Magnetic resonance imaging, abdomen · coronal plane, index 103
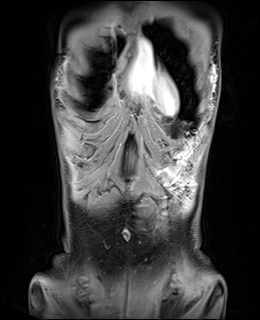 <organs><organ name="liver" x1="127" y1="172" x2="130" y2="172"/><organ name="stomach" x1="155" y1="143" x2="194" y2="189"/><organ name="duodenum" x1="120" y1="180" x2="135" y2="186"/></organs>